Abdominal CT reaching into the chest; this slice is in the chest; Axial slice 106/126
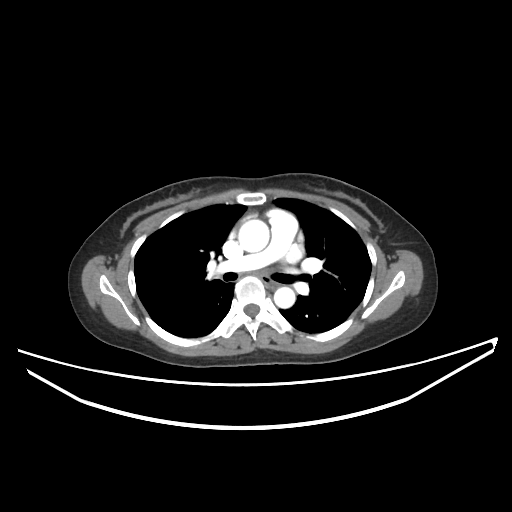 At this level of the chest no structure but the esophagus and the aorta has a label in this dataset, and those two are boxed only where they are labeled.
Boxes: x1:y1:x2:y2 in pixels.
aorta: 238:219:269:252
aorta: 274:287:295:308
esophagus: 261:276:275:288